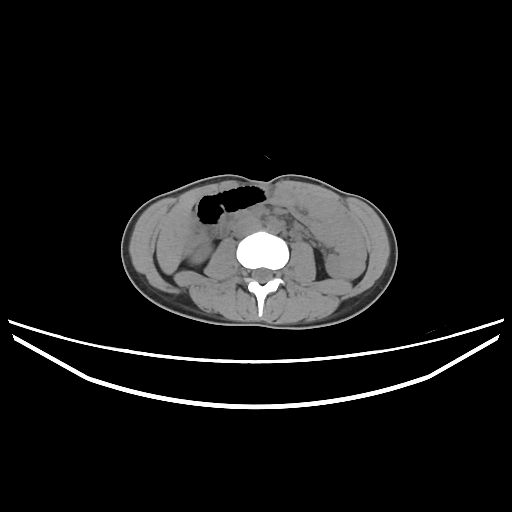
CT abdomen — axial view — abdomen soft-tissue window — 512x512 px — 31-year-old female patient — 15 organs annotated in this scan (a whole-scan count: organs this slice does not pass through have no box)
Boxes: x1 y1 x2 y2 (pixel coords, space-separated).
right kidney: 190 241 211 264
liver: 156 198 197 274
aorta: 267 219 282 233
inferior vena cava: 233 218 261 237
duodenum: 219 211 252 236